Chest-level CT slice, above the liver and spleen; axial view; soft-tissue window; acquired on Aquilion ONE; scan has 15 labeled organs (counted over the whole 3D scan, not this slice; an organ is boxed only where this slice passes through it)
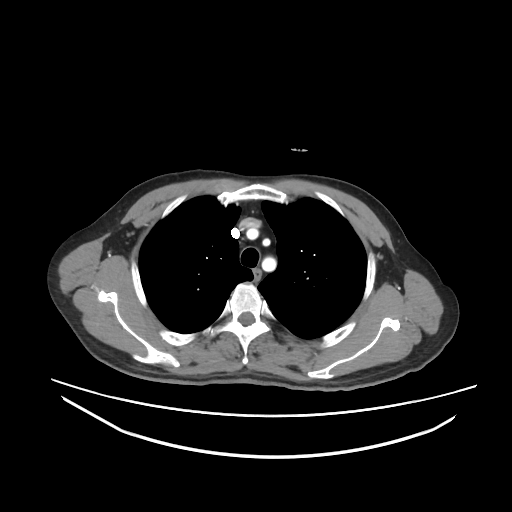

At this level of the chest no structure but the esophagus and the aorta has a label in this dataset, and those two are boxed only where they are labeled.
<organs><organ name="esophagus" x1="252" y1="268" x2="260" y2="280"/></organs>